MRI, abdomen. axial plane, index 59. 1st–99th percentile window. 320x260 px
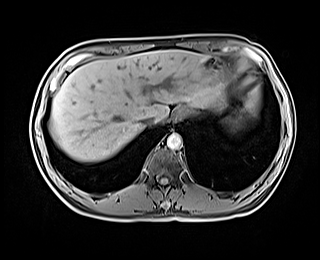
Boxes: x1 y1 x2 y2 (pixel coords, space-separated). Labeled organs on this slice: liver at 49 49 217 161, stomach at 173 56 227 119, aorta at 167 133 182 149, inferior vena cava at 140 116 155 126.